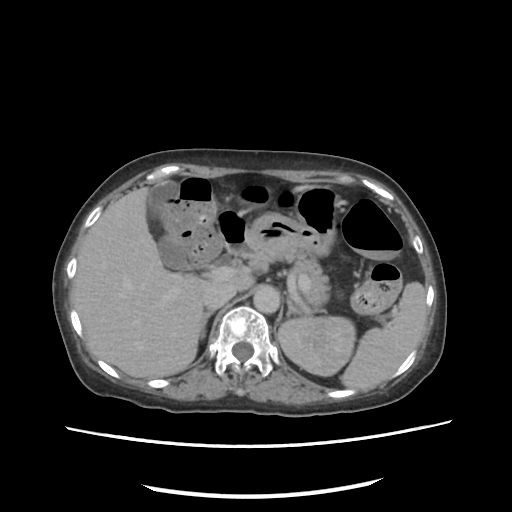 Abdominal CT; axial plane, index 67
Coordinates as <box>x1,y1,x2,y2</box> in pixels.
Organ bounding boxes:
- spleen: <box>341,282,426,389</box>
- left kidney: <box>278,316,355,376</box>
- gall bladder: <box>149,182,188,269</box>
- liver: <box>75,188,254,377</box>
- stomach: <box>244,185,342,256</box>
- aorta: <box>253,285,279,313</box>
- inferior vena cava: <box>202,282,235,309</box>
- pancreas: <box>250,248,329,309</box>
- right adrenal gland: <box>201,310,213,337</box>
- left adrenal gland: <box>286,299,305,317</box>
- duodenum: <box>220,214,252,259</box>